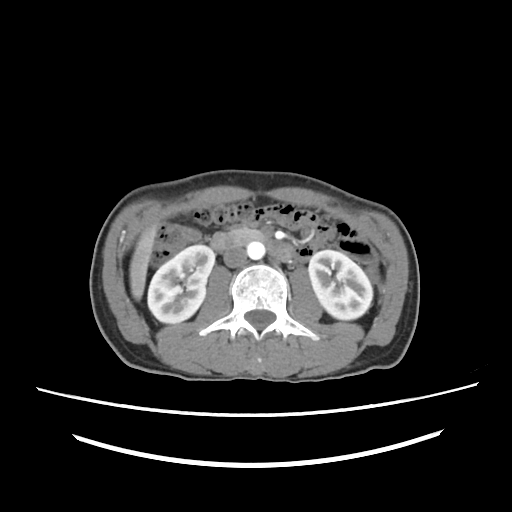
CT abdomen. axial view
Boxes: x1 y1 x2 y2 (pixel coords, space-separated).
right kidney: 147 244 213 323
left kidney: 308 250 373 320
liver: 128 210 156 300
aorta: 247 242 265 258
inferior vena cava: 222 246 246 268
pancreas: 229 229 264 245
duodenum: 211 232 294 259